Abdominal CT. axial plane, index 10. 512x512 px
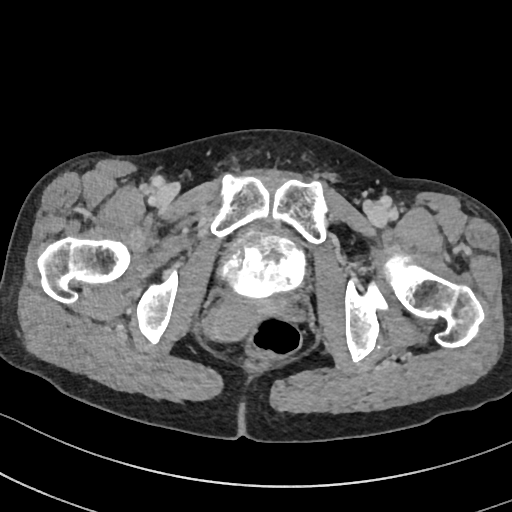

Bounding boxes in pixels, one row per box: x1, y1 is the top-left corner and x2, y2 the bottom-right.
| organ | x1 | y1 | x2 | y2 |
|---|---|---|---|---|
| bladder | 218 | 224 | 307 | 302 |
| prostate/uterus | 204 | 298 | 278 | 342 |